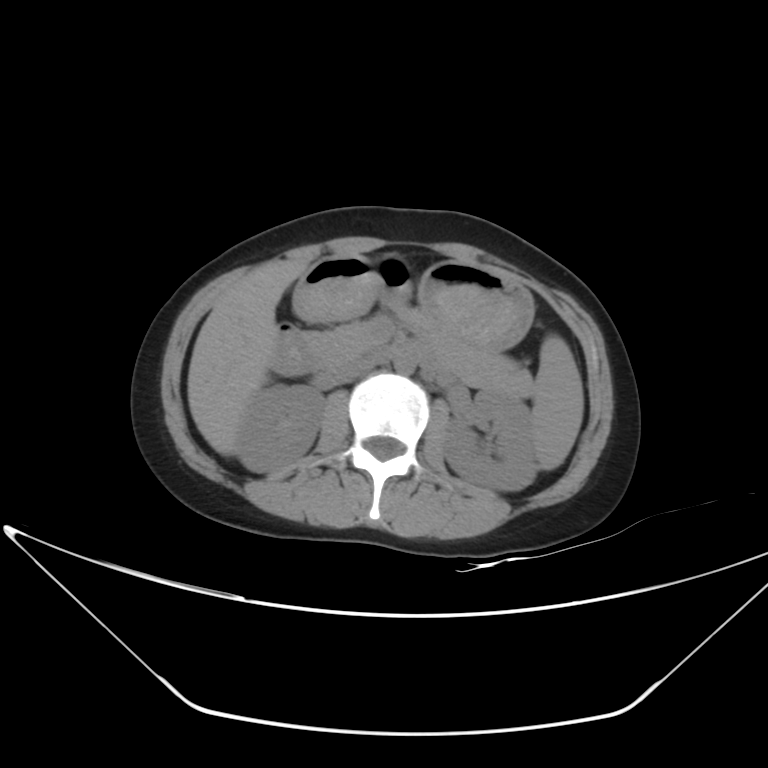 CT abdomen; axial view; abdomen soft-tissue window; 768x768 px; acquired on Brilliance16
Bounding boxes as [x1, y1, x2, y2] in pixel coordinates. The annotated organs in this slice are: spleen at [531, 334, 584, 469], right kidney at [237, 383, 324, 471], left kidney at [443, 389, 536, 491], liver at [188, 260, 309, 454], stomach at [293, 255, 533, 353], aorta at [394, 358, 416, 375], inferior vena cava at [327, 357, 376, 384], pancreas at [310, 306, 532, 398], duodenum at [270, 322, 441, 376].